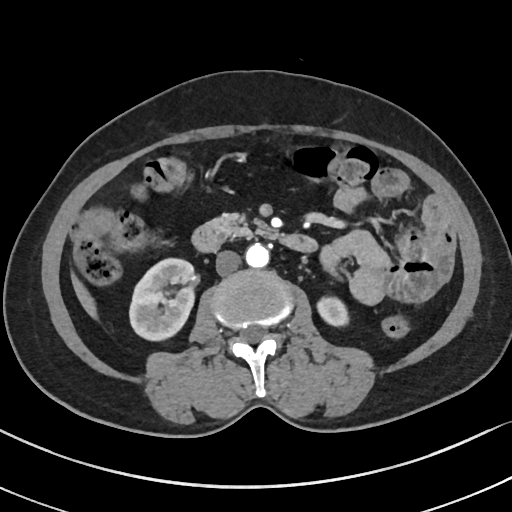 Abdominal CT; axial plane, index 124; 512x512 px
<organs><organ name="right kidney" x1="130" y1="257" x2="195" y2="338"/><organ name="left kidney" x1="315" y1="297" x2="348" y2="326"/><organ name="liver" x1="71" y1="275" x2="96" y2="316"/><organ name="aorta" x1="245" y1="243" x2="268" y2="267"/><organ name="inferior vena cava" x1="216" y1="250" x2="241" y2="275"/><organ name="pancreas" x1="210" y1="213" x2="275" y2="237"/><organ name="duodenum" x1="191" y1="223" x2="315" y2="251"/></organs>